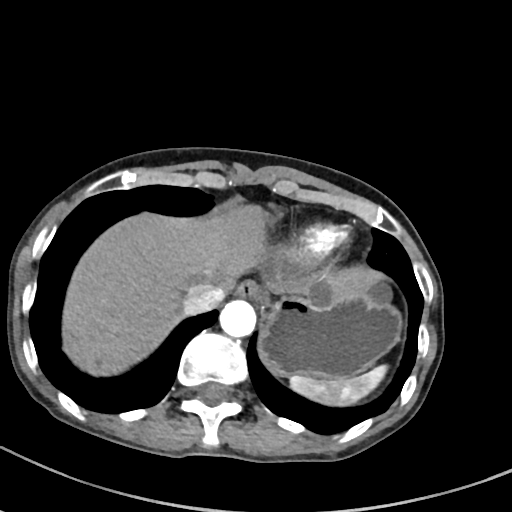 Abdominal CT · axial plane, index 192 · soft-tissue window · 15 organs annotated in this scan (a whole-scan count: organs this slice does not pass through have no box)
<organs><organ name="esophagus" x1="235" y1="280" x2="260" y2="299"/><organ name="spleen" x1="290" y1="364" x2="387" y2="405"/><organ name="inferior vena cava" x1="183" y1="282" x2="229" y2="312"/><organ name="stomach" x1="259" y1="294" x2="400" y2="379"/><organ name="aorta" x1="220" y1="300" x2="256" y2="337"/><organ name="liver" x1="62" y1="206" x2="386" y2="375"/></organs>